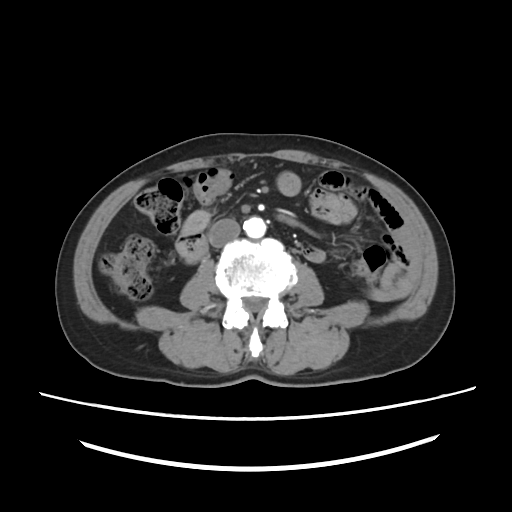

Computed tomography, abdomen; Axial slice 52/134
One row per box, in pixels: columns x1 and y1 give the top-left corner, x2 and y2 the bottom-right.
| organ | x1 | y1 | x2 | y2 |
|---|---|---|---|---|
| aorta | 243 | 216 | 266 | 238 |
| inferior vena cava | 208 | 219 | 240 | 247 |
| duodenum | 187 | 238 | 207 | 263 |